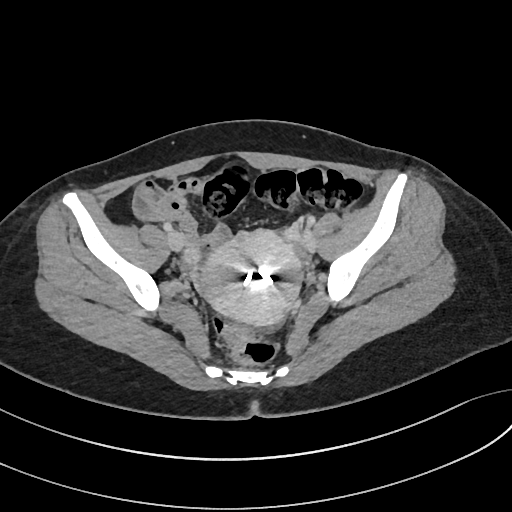
Abdominal CT · axial view · soft-tissue window (W 400 / L 40) · 512x512 px
Boxes: x1 y1 x2 y2 (pixel coords, space-separated). The annotated organs in this slice are: prostate/uterus at 195 230 302 325.